CT, abdomen/pelvis · axial view · abdomen soft-tissue window · 15 organs annotated in this scan (that count is for the whole scan; organs this slice misses have no box)
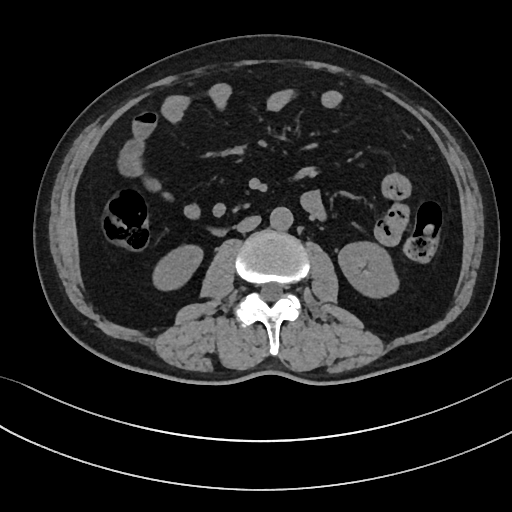
One row per box, in pixels: columns x1 and y1 give the top-left corner, x2 and y2 the bottom-right.
| organ | x1 | y1 | x2 | y2 |
|---|---|---|---|---|
| right kidney | 153 | 245 | 202 | 290 |
| left kidney | 338 | 242 | 398 | 297 |
| aorta | 269 | 206 | 293 | 230 |
| inferior vena cava | 236 | 215 | 261 | 232 |
| duodenum | 212 | 229 | 226 | 235 |